Chest-level CT slice, above the liver and spleen · axial view · soft-tissue window · 15 organs annotated in this scan (counted over the whole 3D scan, not this slice; an organ is boxed only where this slice passes through it)
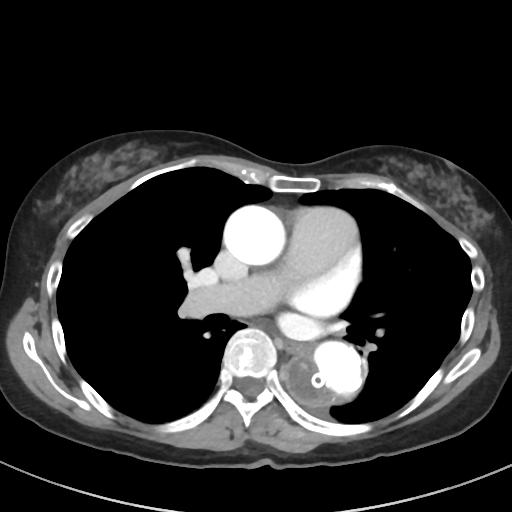 On a slice this high in the chest, this dataset labels only the esophagus and the aorta, and each is boxed only where it is labeled; the heart, lungs and other chest structures are not labeled.
Bounding boxes as [x1, y1, x2, y2] in pixel coordinates.
Organ bounding boxes:
- esophagus: [282, 341, 306, 352]
- aorta: [286, 341, 363, 405]
- aorta: [223, 205, 285, 265]